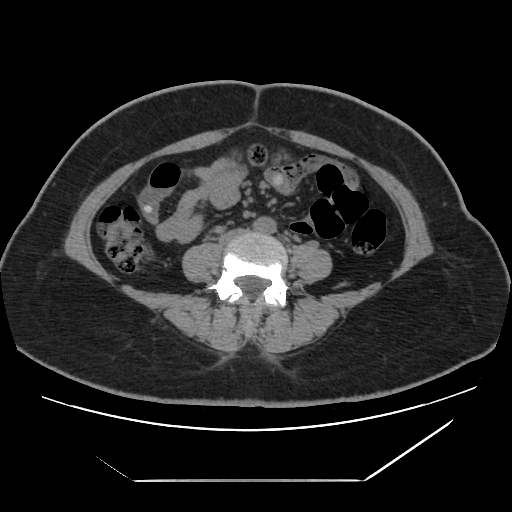
CT, abdomen/pelvis · Axial slice 148/345 · 15 organs annotated in this scan (that count is for the whole scan; organs this slice misses have no box)
{"organs":{"aorta":[252,218,276,234],"inferior vena cava":[221,229,246,242]}}